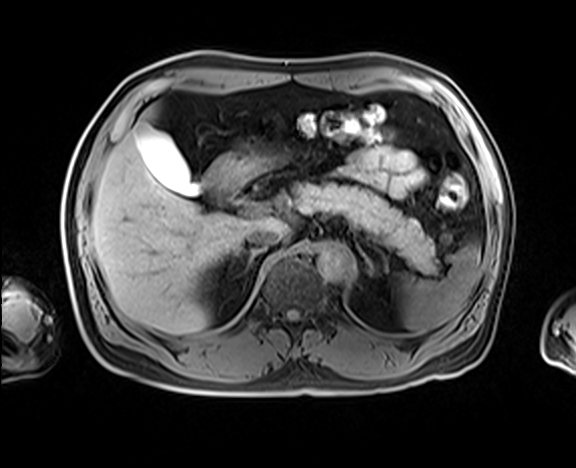

MRI, abdomen — axial view — 1st–99th percentile window — 576x468 px — 13 organs annotated in this scan (counted over the whole 3D scan, not this slice; an organ is boxed only where this slice passes through it)
<organs><organ name="spleen" x1="399" y1="244" x2="481" y2="333"/><organ name="gall bladder" x1="136" y1="120" x2="201" y2="195"/><organ name="liver" x1="91" y1="114" x2="287" y2="334"/><organ name="stomach" x1="202" y1="143" x2="294" y2="195"/><organ name="aorta" x1="317" y1="243" x2="355" y2="280"/><organ name="inferior vena cava" x1="245" y1="229" x2="282" y2="248"/><organ name="pancreas" x1="292" y1="182" x2="437" y2="272"/><organ name="right adrenal gland" x1="228" y1="248" x2="262" y2="278"/><organ name="left adrenal gland" x1="355" y1="244" x2="372" y2="270"/><organ name="duodenum" x1="205" y1="191" x2="243" y2="205"/></organs>